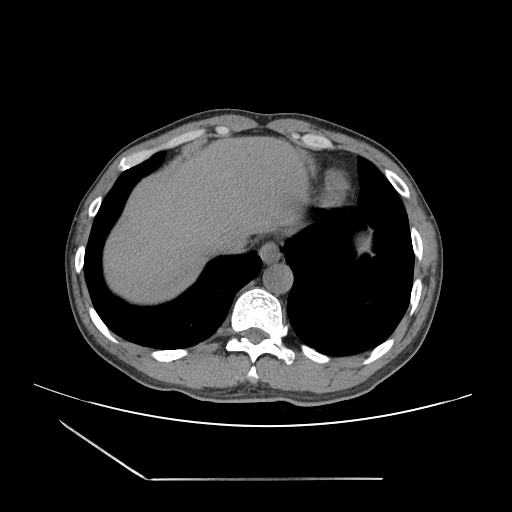 Computed tomography, abdomen. axial view. abdomen soft-tissue window. 512x512 px
<organs><organ name="stomach" x1="356" y1="235" x2="371" y2="255"/><organ name="inferior vena cava" x1="217" y1="233" x2="249" y2="255"/><organ name="esophagus" x1="259" y1="241" x2="281" y2="263"/><organ name="aorta" x1="262" y1="263" x2="292" y2="293"/><organ name="liver" x1="103" y1="135" x2="309" y2="303"/></organs>